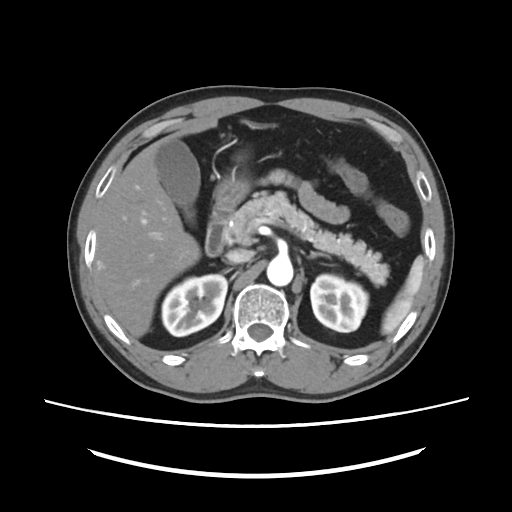

Computed tomography, abdomen — Axial slice 78/134 — abdomen soft-tissue window — 46-year-old male patient
{"organs":{"gall bladder":[155,138,200,223],"spleen":[382,256,424,334],"right kidney":[161,274,227,336],"liver":[95,129,200,337],"inferior vena cava":[226,248,253,263],"stomach":[214,175,250,208],"left kidney":[310,274,368,332],"left adrenal gland":[307,251,327,258],"pancreas":[224,191,389,285],"duodenum":[205,206,231,256],"aorta":[266,256,293,286]}}